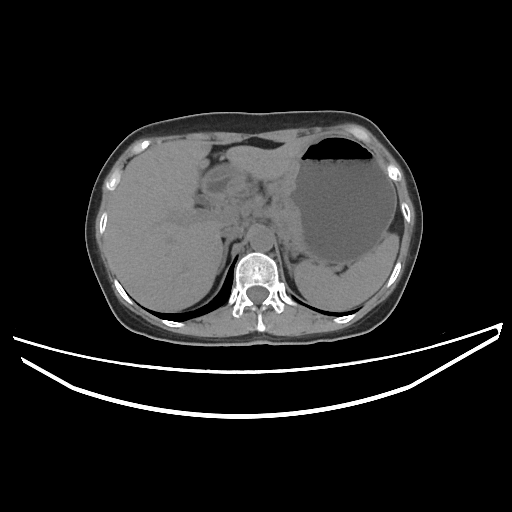
Computed tomography, abdomen · axial plane, index 68 · 50-year-old female patient · scan has 15 labeled organs (that count is for the whole scan; organs this slice misses have no box)
Bounding boxes as [x1, y1, x2, y2] in pixel coordinates.
Organ bounding boxes:
- aorta: [250, 228, 274, 251]
- duodenum: [197, 195, 223, 207]
- stomach: [202, 135, 396, 268]
- left adrenal gland: [283, 251, 292, 276]
- right adrenal gland: [219, 240, 231, 271]
- liver: [105, 137, 311, 311]
- spleen: [295, 233, 398, 310]
- inferior vena cava: [221, 225, 244, 240]